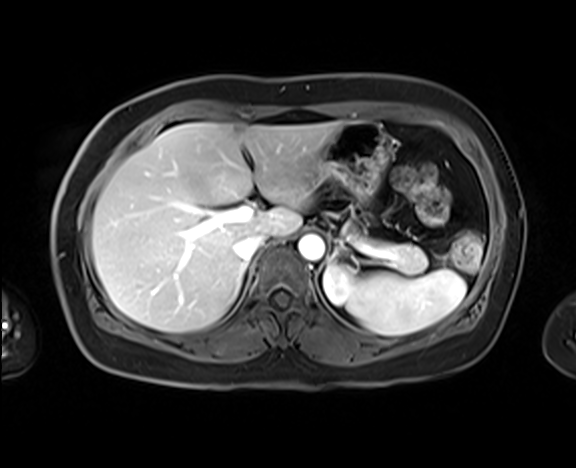

MRI, abdomen — axial view — 576x468 px
Box edges are left/top/right/bottom in pixels.
right adrenal gland: left=237, top=263, right=246, bottom=292
inferior vena cava: left=233, top=233, right=266, bottom=260
left kidney: left=324, top=265, right=370, bottom=316
liver: left=92, top=122, right=340, bottom=332
pancreas: left=358, top=234, right=427, bottom=274
stomach: left=315, top=121, right=387, bottom=200
aorta: left=298, top=234, right=324, bottom=260
spleen: left=358, top=270, right=466, bottom=335
left adrenal gland: left=328, top=245, right=341, bottom=263